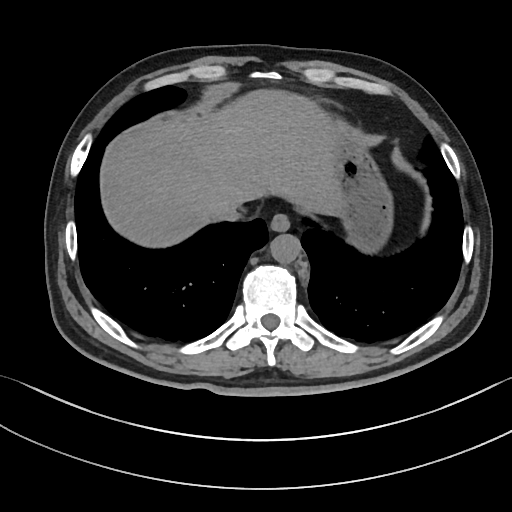 Computed tomography, abdomen; axial view; soft-tissue window (W 400 / L 40)
Boxes are (x1, y1, x2, y2) in pixels.
Organ bounding boxes:
- esophagus: (270, 214, 290, 231)
- liver: (100, 89, 342, 247)
- stomach: (334, 129, 393, 252)
- aorta: (270, 234, 301, 263)
- inferior vena cava: (215, 199, 243, 220)